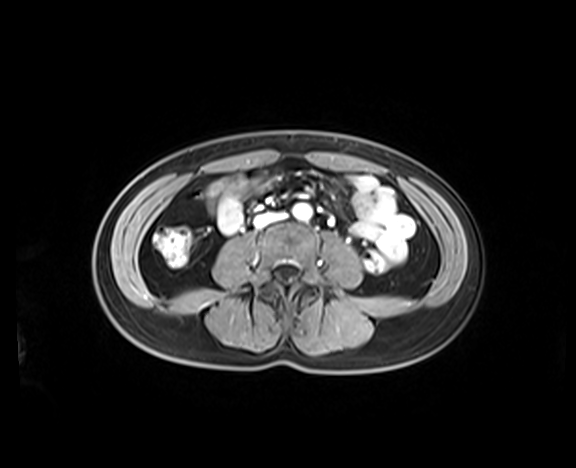 Abdominal MR — axial view — percentile-normalized
Boxes: x1 y1 x2 y2 (pixel coords, space-separated).
aorta: 293 203 311 219
inferior vena cava: 254 213 281 226